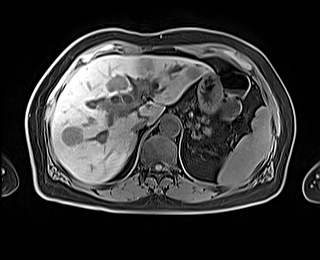 Abdominal MRI. axial view. 1st–99th percentile window. 320x260 px. 13 organs annotated in this scan (that count is for the whole scan; organs this slice misses have no box)
Organ boxes in pixel coordinates; each row gives the top-left (x1, y1) and bottom-right (x2, y2) corners.
| organ | x1 | y1 | x2 | y2 |
|---|---|---|---|---|
| spleen | 217 | 107 | 270 | 186 |
| liver | 51 | 55 | 210 | 183 |
| stomach | 198 | 73 | 222 | 113 |
| aorta | 159 | 116 | 179 | 136 |
| inferior vena cava | 132 | 118 | 147 | 133 |
| pancreas | 199 | 116 | 207 | 124 |
| right adrenal gland | 130 | 136 | 137 | 152 |
| left adrenal gland | 191 | 131 | 199 | 137 |